Abdominal CT; Axial slice 77/89; 512x512 px
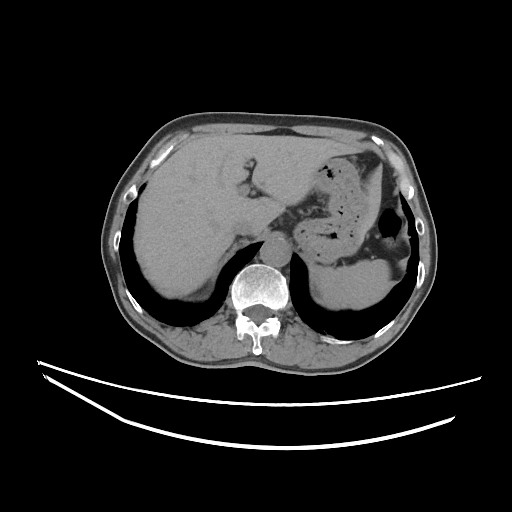
Boxes are (x1, y1, x2, y2) in pixels.
spleen: (312, 259, 392, 308)
liver: (134, 134, 381, 297)
stomach: (294, 157, 368, 263)
aorta: (260, 239, 290, 267)
inferior vena cava: (232, 221, 255, 234)